Abdominal CT — axial view — 512x512 px — SOMATOM Force scanner — scan has 14 labeled organs (counted over the whole 3D scan, not this slice; an organ is boxed only where this slice passes through it)
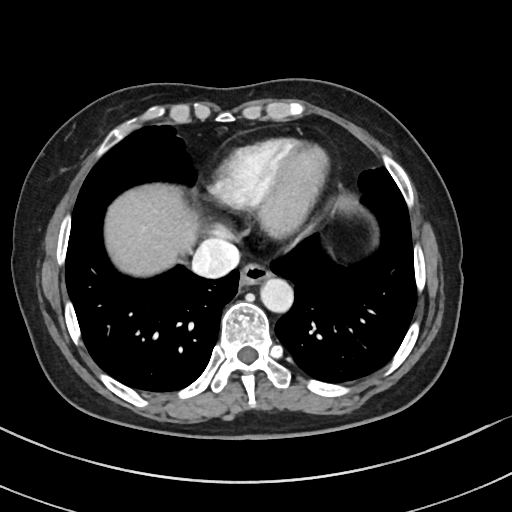
Each box given as x1,y1,x2,y2.
inferior vena cava: x1=193, y1=236, x2=239, y2=276
aorta: x1=261, y1=280, x2=294, y2=313
esophagus: x1=239, y1=265, x2=271, y2=287
liver: x1=105, y1=186, x2=197, y2=275